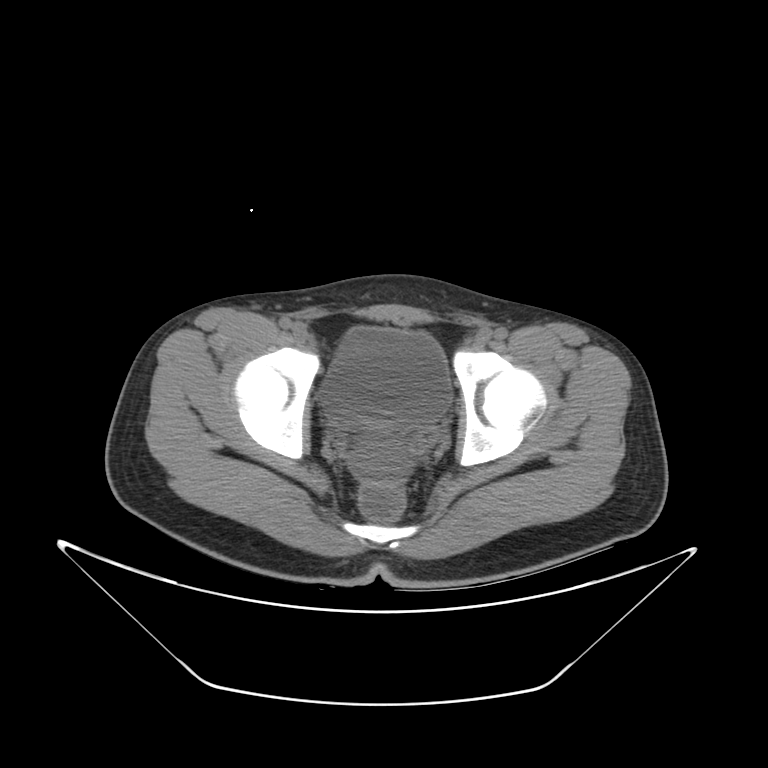 Abdominal CT. axial view. abdomen soft-tissue window. 768x768 px
{"organs":{"bladder":[318,329,449,425]}}